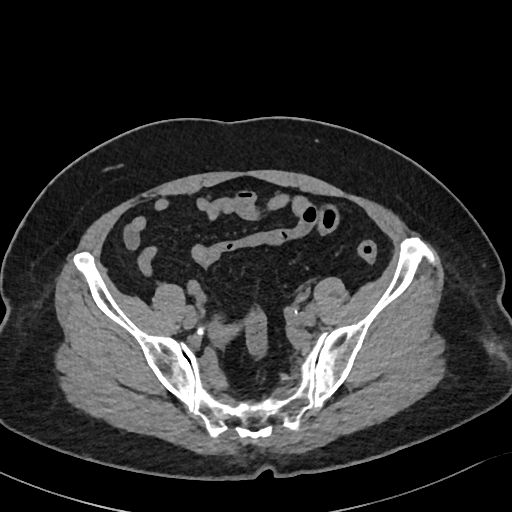
Abdominal CT · axial view · W/L 400/40 HU
Organ boxes in pixel coordinates; each row gives the top-left (x1, y1) and bottom-right (x2, y2) corners.
| organ | x1 | y1 | x2 | y2 |
|---|---|---|---|---|
| prostate/uterus | 211 | 325 | 234 | 340 |